Abdominal CT — Axial slice 175/297 — abdomen soft-tissue window
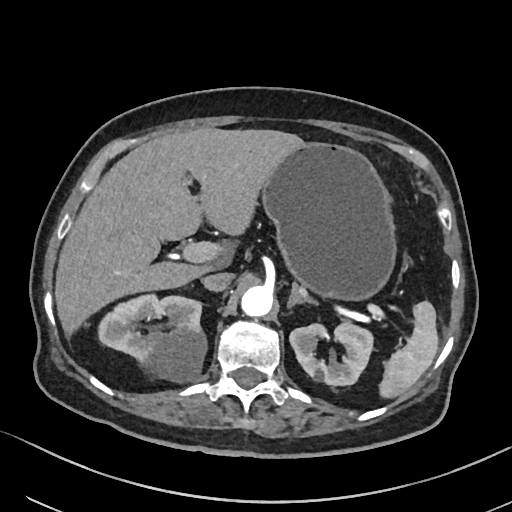 Boxes: x1 y1 x2 y2 (pixel coords, space-separated).
Organ bounding boxes:
- spleen: 379 301 438 397
- right kidney: 97 293 205 380
- left kidney: 289 321 374 385
- liver: 54 128 301 332
- stomach: 261 141 394 298
- aorta: 241 285 273 316
- inferior vena cava: 202 272 234 291
- left adrenal gland: 288 283 318 305